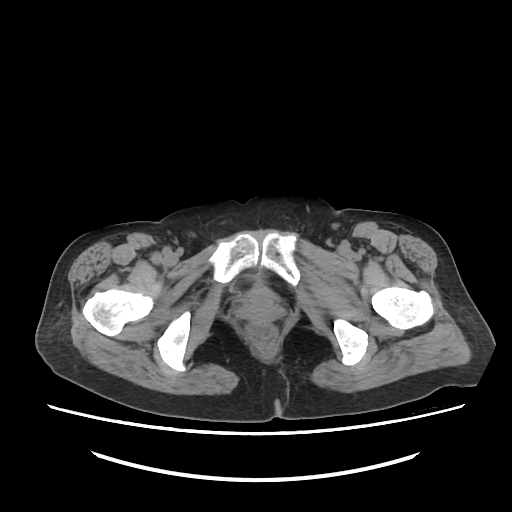
CT, abdomen/pelvis · Axial slice 9/85 · 512x512 px
One row per box, in pixels: columns x1 and y1 give the top-left corner, x2 and y2 the bottom-right.
| organ | x1 | y1 | x2 | y2 |
|---|---|---|---|---|
| prostate/uterus | 247 | 286 | 271 | 311 |